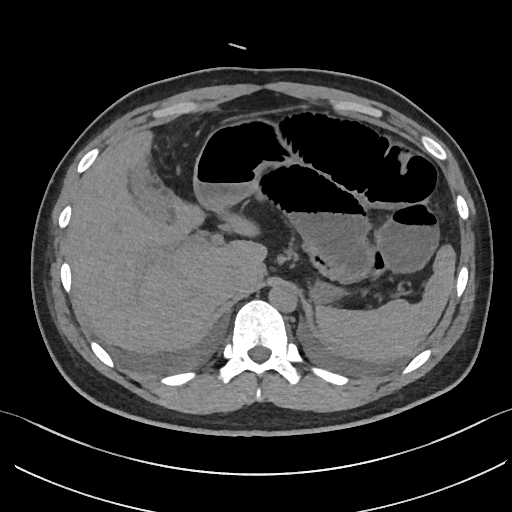
CT abdomen — Axial slice 188/234 — 512x512 px
{"organs":{"spleen":[315,244,455,362],"gall bladder":[128,158,173,222],"liver":[67,130,266,353],"stomach":[193,118,342,303],"aorta":[268,285,297,312],"inferior vena cava":[225,268,243,292]}}